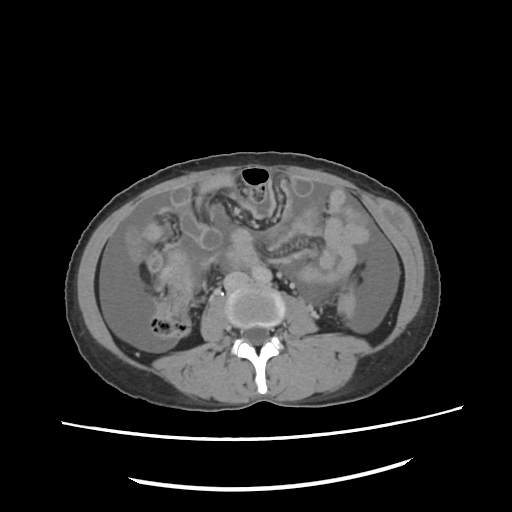 Abdominal CT; axial view; 512x512 px; acquired on Aquilion ONE
Each box given as x1,y1,x2,y2. The annotated organs in this slice are: aorta at x1=251, y1=267, x2=271, y2=285, inferior vena cava at x1=224, y1=271, x2=250, y2=292.